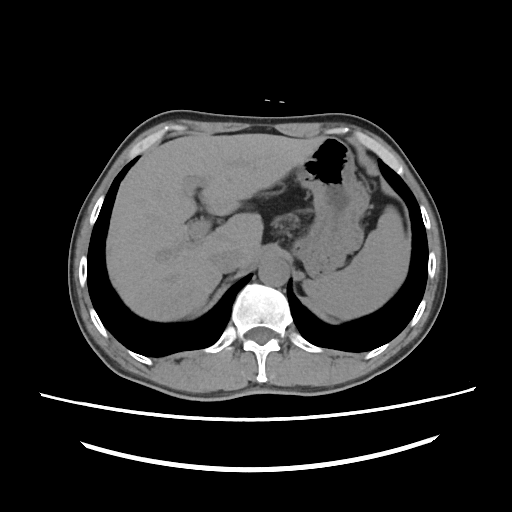

CT, abdomen/pelvis — Axial slice 74/87 — W/L 400/40 HU — 512x512 px — 55-year-old male patient — acquired on Aquilion ONE
{"organs":{"spleen":[305,206,407,318],"liver":[107,133,325,322],"stomach":[293,137,369,277],"aorta":[258,257,288,285],"inferior vena cava":[209,248,244,274]}}